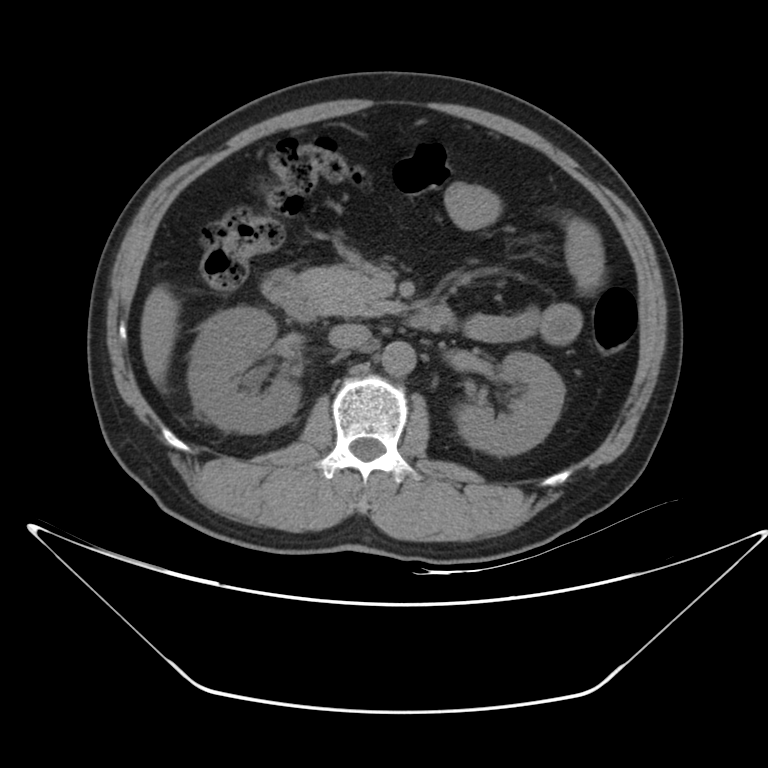 CT, abdomen/pelvis; axial view; abdomen soft-tissue window; 768x768 px; 15 organs annotated in this scan (that count is for the whole scan; organs this slice misses have no box)
Coordinates as <box>x1,y1,x2,y2</box> in pixels.
right kidney: <box>186,306,301,433</box>
left kidney: <box>454,352,564,455</box>
inferior vena cava: <box>328,324,370,348</box>
duodenum: <box>262,269,455,332</box>
liver: <box>141,285,178,387</box>
pancreas: <box>298,266,400,316</box>
aorta: <box>381,341,415,376</box>